Abdominal CT; this slice is in the lower chest, just above the liver. Axial slice 249/345. soft-tissue window, W/L 400/40. SOMATOM Force scanner
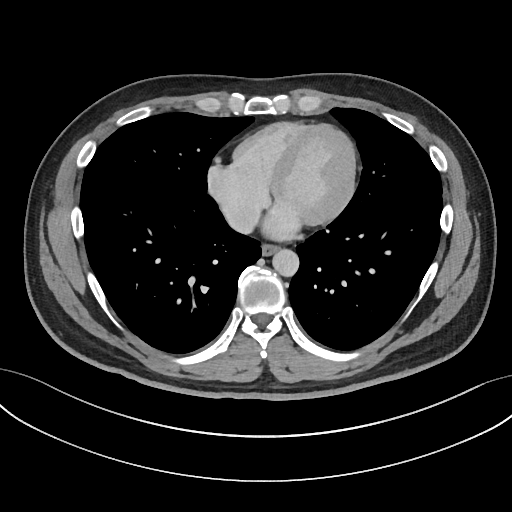
The heart and lungs are never labeled in this dataset, so they have no box on this slice.
<organs><organ name="esophagus" x1="261" y1="244" x2="279" y2="255"/><organ name="aorta" x1="272" y1="249" x2="299" y2="276"/><organ name="inferior vena cava" x1="222" y1="204" x2="261" y2="233"/></organs>